CT, abdomen/pelvis · axial view
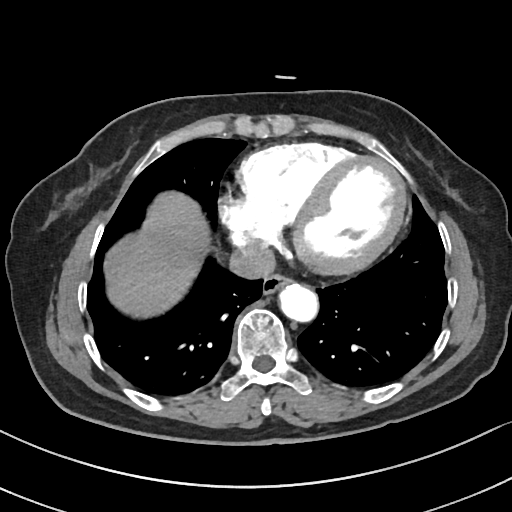
Bounding boxes as [x1, y1, x2, y2] in pixel coordinates.
Organ bounding boxes:
- esophagus: [262, 274, 291, 294]
- liver: [104, 191, 209, 317]
- aorta: [279, 283, 317, 321]
- inferior vena cava: [229, 242, 275, 279]